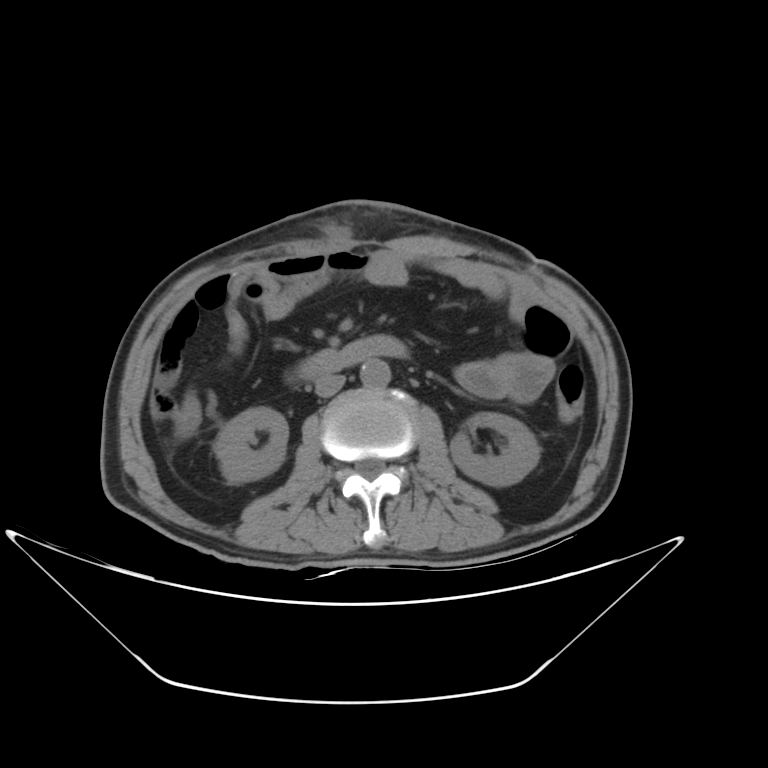 Computed tomography, abdomen · Axial slice 59/104 · W/L 400/40 HU · scan has 15 labeled organs (that count is for the whole scan; organs this slice misses have no box)
Boxes: x1:y1:x2:y2 in pixels.
right kidney: 214:407:288:482
left kidney: 450:412:539:486
aorta: 360:359:391:388
inferior vena cava: 315:374:345:397
duodenum: 294:336:407:379